Computed tomography, abdomen; axial view; scan has 15 labeled organs (counted over the whole 3D scan, not this slice; an organ is boxed only where this slice passes through it)
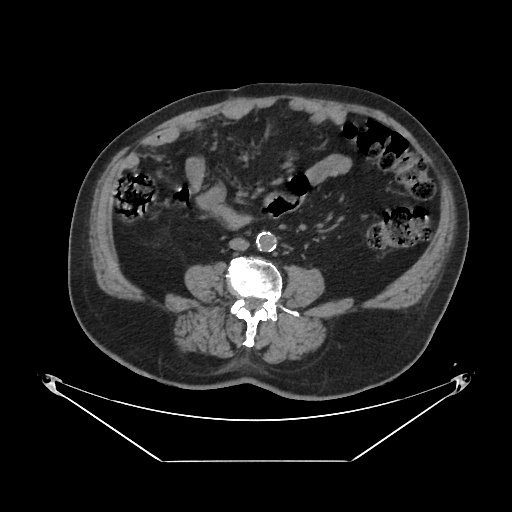

<organs><organ name="aorta" x1="255" y1="232" x2="275" y2="251"/><organ name="inferior vena cava" x1="229" y1="238" x2="249" y2="250"/></organs>